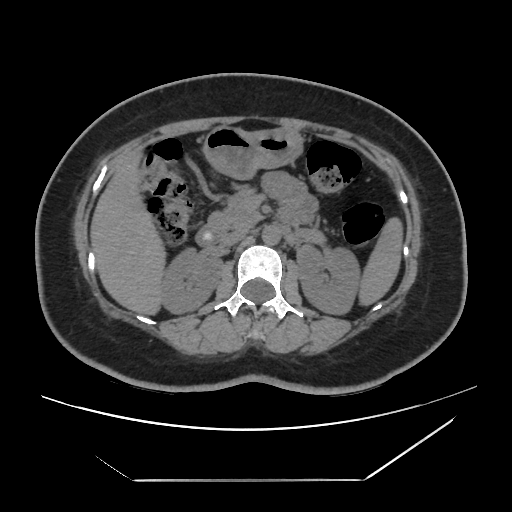

Computed tomography, abdomen · axial view · soft-tissue window
Bounding boxes in pixels, one row per box: x1, y1 is the top-left corner and x2, y2 the bottom-right.
| organ | x1 | y1 | x2 | y2 |
|---|---|---|---|---|
| spleen | 358 | 216 | 403 | 306 |
| right kidney | 162 | 248 | 222 | 314 |
| left kidney | 296 | 245 | 359 | 314 |
| liver | 90 | 148 | 167 | 315 |
| stomach | 203 | 126 | 303 | 179 |
| aorta | 261 | 226 | 280 | 245 |
| inferior vena cava | 220 | 229 | 247 | 246 |
| pancreas | 207 | 187 | 261 | 231 |
| duodenum | 195 | 225 | 224 | 246 |